CT abdomen — axial view — 512x512 px
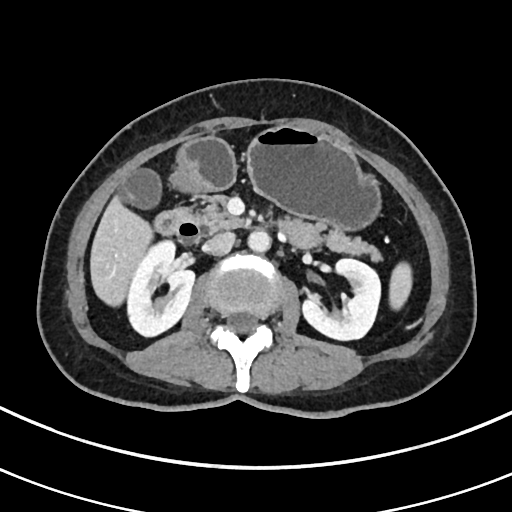

Boxes are (x1, y1, x2, y2) in pixels.
Organ bounding boxes:
- aorta: (247, 230, 270, 252)
- liver: (90, 195, 152, 306)
- stomach: (169, 126, 380, 229)
- left kidney: (302, 259, 380, 340)
- pancreas: (195, 196, 381, 261)
- inferior vena cava: (203, 232, 235, 254)
- gall bladder: (120, 168, 160, 208)
- right kidney: (127, 240, 194, 336)
- spleen: (389, 262, 411, 309)
- duodenum: (154, 209, 200, 243)